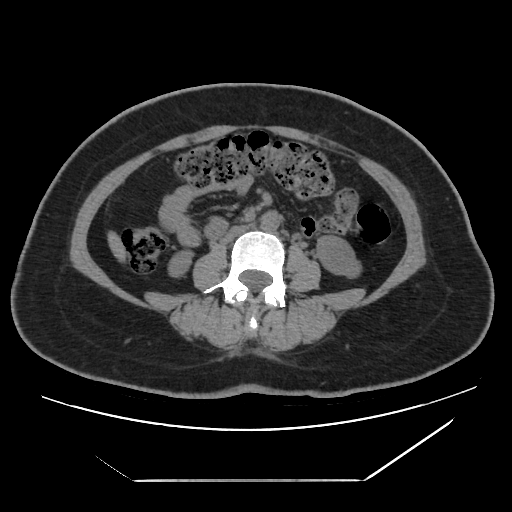

Abdominal CT — Axial slice 170/345 — 512x512 px
One row per box, in pixels: columns x1 and y1 give the top-left corner, x2 and y2 the bottom-right.
| organ | x1 | y1 | x2 | y2 |
|---|---|---|---|---|
| right kidney | 167 | 249 | 194 | 278 |
| left kidney | 316 | 235 | 362 | 278 |
| liver | 106 | 230 | 127 | 264 |
| aorta | 260 | 211 | 280 | 231 |
| inferior vena cava | 222 | 225 | 250 | 242 |